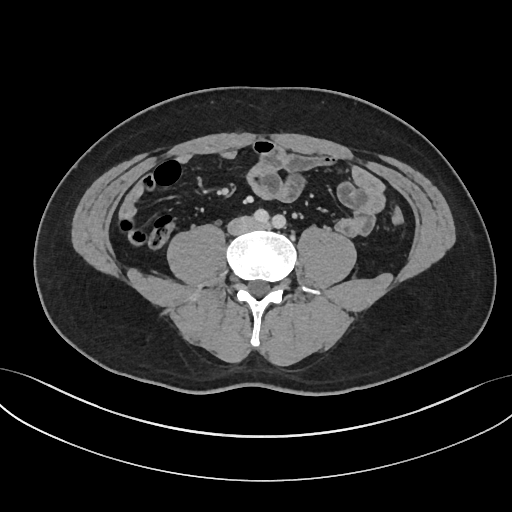 CT, abdomen/pelvis; Axial slice 117/345; soft-tissue window (W 400 / L 40); 512x512 px
Each box given as x1,y1,x2,y2. The annotated organs in this slice are: inferior vena cava at x1=229, y1=217, x2=253, y2=232.